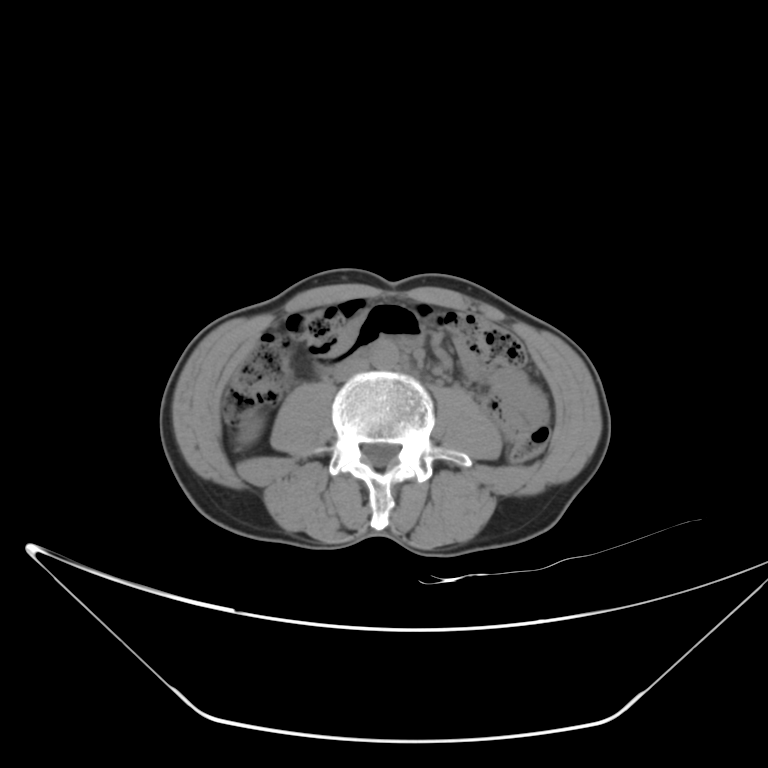 Abdominal CT; axial plane, index 53; W/L 400/40 HU; 768x768 px; acquired on Brilliance16
<organs><organ name="right kidney" x1="236" y1="414" x2="263" y2="444"/><organ name="aorta" x1="370" y1="339" x2="398" y2="369"/><organ name="inferior vena cava" x1="333" y1="357" x2="369" y2="381"/></organs>